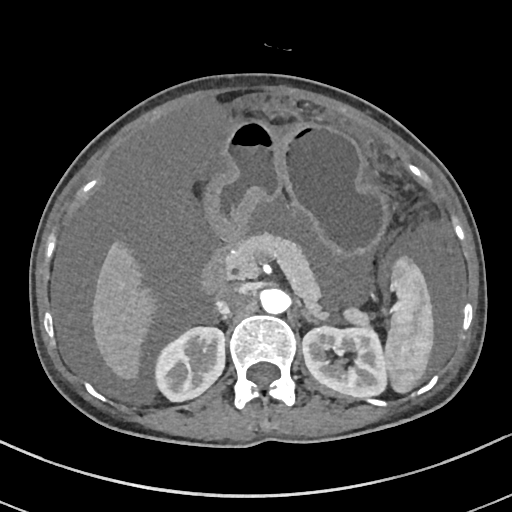

Computed tomography, abdomen · axial view · 512x512 px · scan has 15 labeled organs (a whole-scan count: organs this slice does not pass through have no box)
<organs><organ name="spleen" x1="384" y1="256" x2="434" y2="394"/><organ name="right kidney" x1="156" y1="327" x2="224" y2="400"/><organ name="left kidney" x1="302" y1="326" x2="385" y2="397"/><organ name="liver" x1="91" y1="241" x2="159" y2="384"/><organ name="stomach" x1="204" y1="120" x2="391" y2="258"/><organ name="aorta" x1="260" y1="288" x2="288" y2="314"/><organ name="inferior vena cava" x1="215" y1="287" x2="244" y2="314"/><organ name="pancreas" x1="229" y1="234" x2="372" y2="327"/><organ name="left adrenal gland" x1="300" y1="310" x2="316" y2="322"/><organ name="duodenum" x1="202" y1="240" x2="236" y2="290"/></organs>